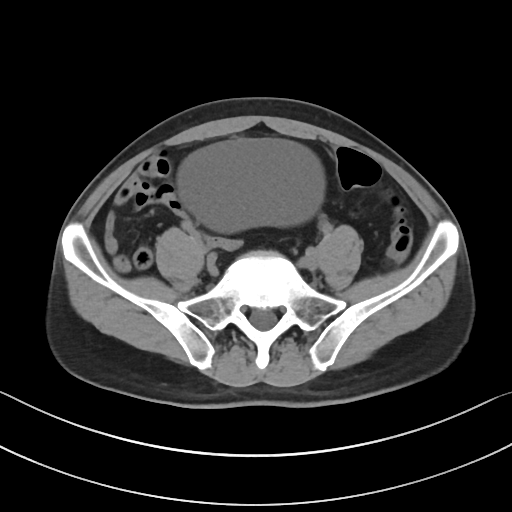
Computed tomography, abdomen. axial plane, index 34
Bounding boxes in pixels, one row per box: x1, y1 is the top-left corner and x2, y2 the bottom-right.
| organ | x1 | y1 | x2 | y2 |
|---|---|---|---|---|
| bladder | 179 | 139 | 323 | 231 |